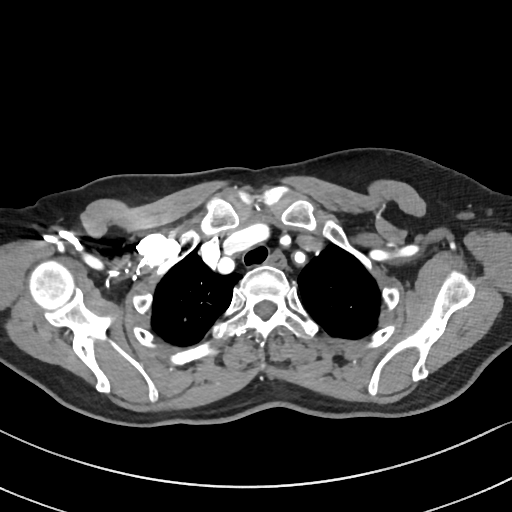

Abdominal CT reaching into the chest; this slice is in the chest · axial plane, index 271 · soft-tissue window, W/L 400/40
At this level of the chest this dataset labels only the esophagus and the aorta, and each is boxed only where it is labeled; the heart and lungs are never labeled.
{"organs":{"esophagus":[263,251,285,268]}}